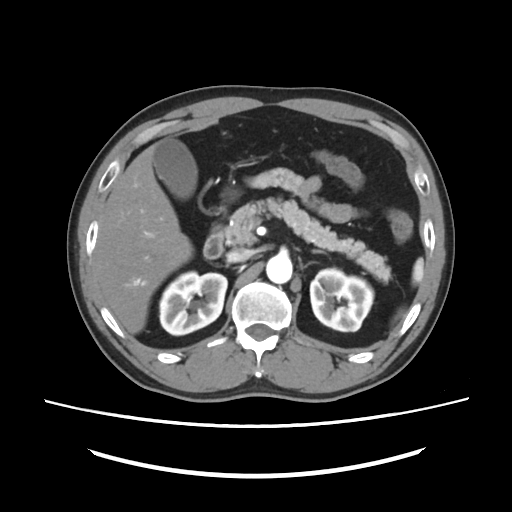
CT abdomen. axial plane, index 76. 512x512 px. Aquilion ONE scanner. 15 organs annotated in this scan (a whole-scan count: organs this slice does not pass through have no box)
<organs><organ name="aorta" x1="266" y1="254" x2="292" y2="283"/><organ name="gall bladder" x1="153" y1="138" x2="197" y2="199"/><organ name="liver" x1="94" y1="144" x2="192" y2="333"/><organ name="pancreas" x1="223" y1="198" x2="391" y2="282"/><organ name="duodenum" x1="203" y1="225" x2="223" y2="258"/><organ name="inferior vena cava" x1="226" y1="248" x2="252" y2="262"/><organ name="left kidney" x1="310" y1="268" x2="373" y2="331"/><organ name="right kidney" x1="159" y1="271" x2="227" y2="335"/><organ name="spleen" x1="413" y1="258" x2="423" y2="283"/><organ name="left adrenal gland" x1="311" y1="249" x2="324" y2="253"/></organs>